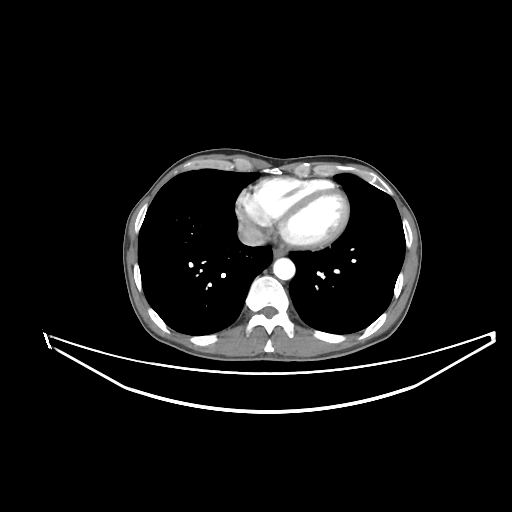

Abdominal CT; this slice is in the lower chest, just above the liver — Axial slice 89/134 — soft-tissue window, W/L 400/40 — scan has 15 labeled organs (that count is for the whole scan; organs this slice misses have no box)
Of the structures in the chest, this dataset labels only the esophagus, the aorta and the inferior vena cava; the heart and lungs have no label.
<organs><organ name="esophagus" x1="273" y1="249" x2="285" y2="257"/><organ name="aorta" x1="273" y1="258" x2="295" y2="279"/><organ name="inferior vena cava" x1="238" y1="225" x2="265" y2="246"/></organs>